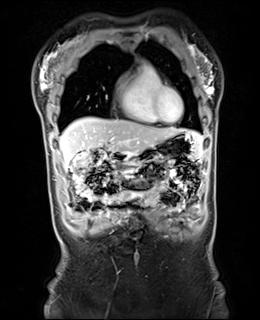

MRI, abdomen; coronal acquisition
<organs><organ name="liver" x1="59" y1="117" x2="200" y2="168"/><organ name="stomach" x1="118" y1="131" x2="203" y2="165"/><organ name="duodenum" x1="110" y1="152" x2="124" y2="161"/></organs>